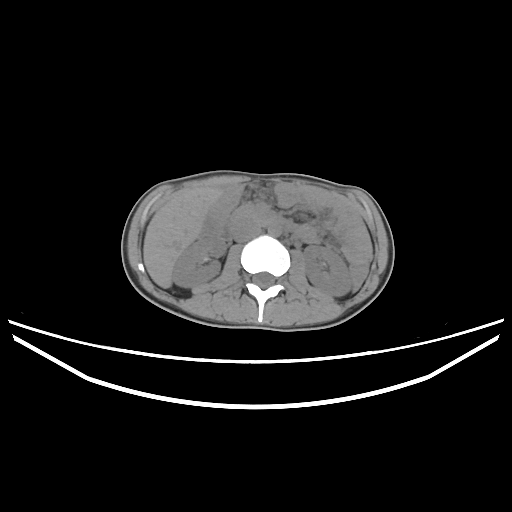 Abdominal CT; axial plane, index 57; soft-tissue window; 31-year-old female patient
Coordinates as <box>x1,y1,x2,y2</box> in pixels.
liver: <box>143,187,223,288</box>
pancreas: <box>233,203,265,223</box>
left kidney: <box>303,245,352,296</box>
aorta: <box>268,223,281,236</box>
gall bladder: <box>202,212,219,235</box>
right kidney: <box>172,237,226,287</box>
inferior vena cava: <box>232,223,261,242</box>
duodenum: <box>218,215,285,240</box>